CT abdomen · Axial slice 125/307
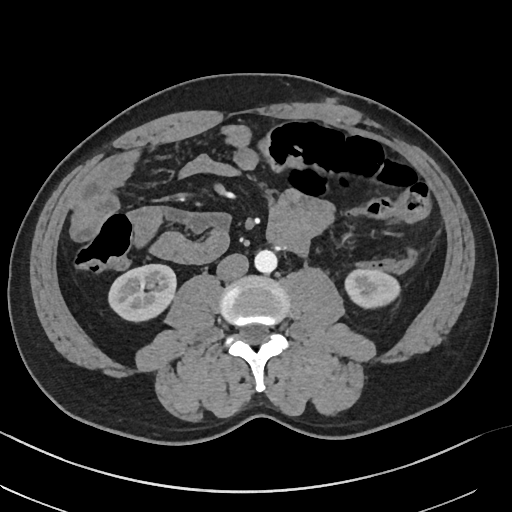 <organs><organ name="right kidney" x1="109" y1="264" x2="175" y2="319"/><organ name="left kidney" x1="345" y1="270" x2="400" y2="308"/><organ name="aorta" x1="254" y1="249" x2="277" y2="273"/><organ name="inferior vena cava" x1="216" y1="253" x2="248" y2="280"/></organs>